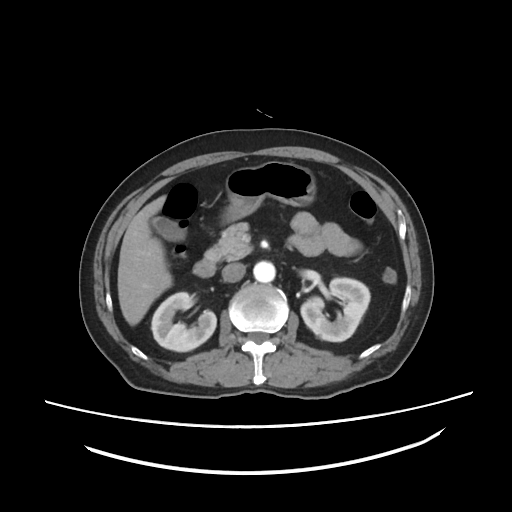

CT, abdomen/pelvis; axial view; soft-tissue window (W 400 / L 40); acquired on Aquilion ONE
Box edges are left/top/right/bottom in pixels.
Organ bounding boxes:
- right kidney: left=151, top=292, right=216, bottom=351
- left kidney: left=300, top=277, right=370, bottom=341
- gall bladder: left=153, top=216, right=182, bottom=240
- liver: left=117, top=195, right=172, bottom=325
- stomach: left=222, top=161, right=315, bottom=221
- aorta: left=253, top=261, right=275, bottom=282
- inferior vena cava: left=222, top=263, right=245, bottom=282
- pancreas: left=205, top=222, right=252, bottom=260
- duodenum: left=193, top=258, right=215, bottom=277